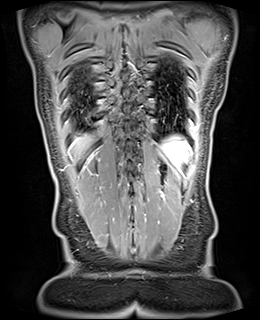

Abdominal MR. coronal view. Prisma scanner. scan has 13 labeled organs (that count is for the whole scan; organs this slice misses have no box)
{"organs":{"spleen":[162,135,189,168],"liver":[73,136,89,152]}}